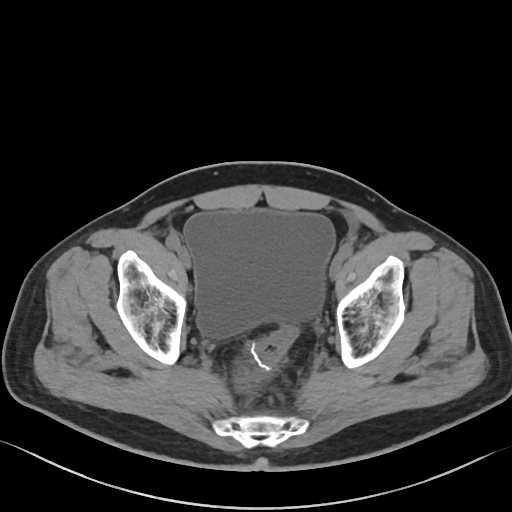 CT abdomen; axial plane, index 22; soft-tissue window (W 400 / L 40); 512x512 px
Boxes are (x1, y1, x2, y2) in pixels.
Organ bounding boxes:
- bladder: (184, 209, 334, 336)